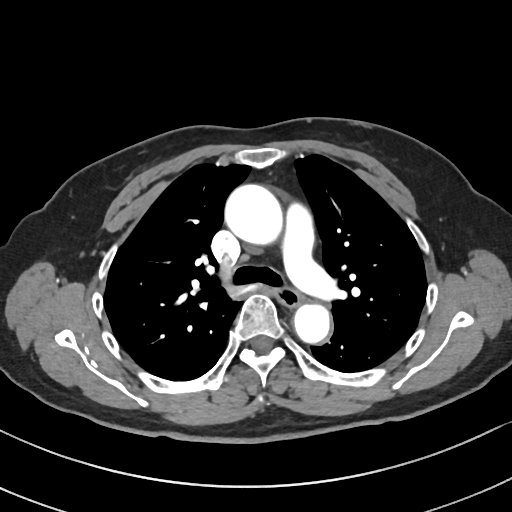 Chest-level slice from an abdominal CT that extends up into the chest · axial view · W/L 400/40 HU · acquired on SOMATOM Force
On a slice this high in the chest, this dataset labels only the esophagus and the aorta, and each is boxed only where it is labeled; the heart, lungs and other chest structures are not labeled.
Boxes: x1:y1:x2:y2 in pixels.
Organ bounding boxes:
- esophagus: 274:289:302:308
- aorta: 223:183:284:243
- aorta: 293:302:331:344